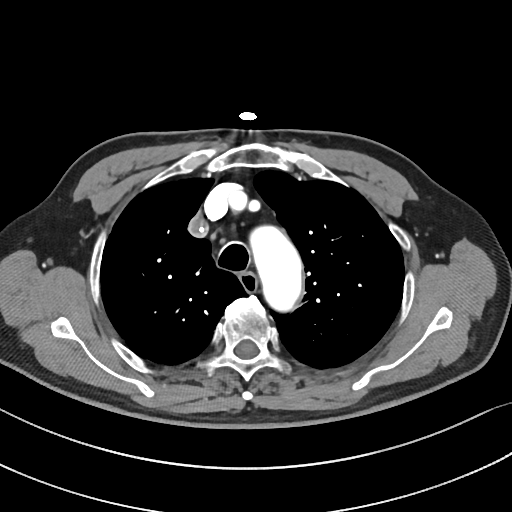 CT of the abdomen extending into the chest, slice through the chest; axial view; soft-tissue window; 15 organs annotated in this scan (that count is for the whole scan; organs this slice misses have no box)
On a slice this high in the chest, this dataset labels only the esophagus and the aorta, and each is boxed only where it is labeled; the heart, lungs and other chest structures are not labeled.
One row per box, in pixels: columns x1 and y1 give the top-left corner, x2 and y2 the bottom-right.
| organ | x1 | y1 | x2 | y2 |
|---|---|---|---|---|
| esophagus | 240 | 272 | 256 | 292 |
| aorta | 253 | 228 | 300 | 307 |